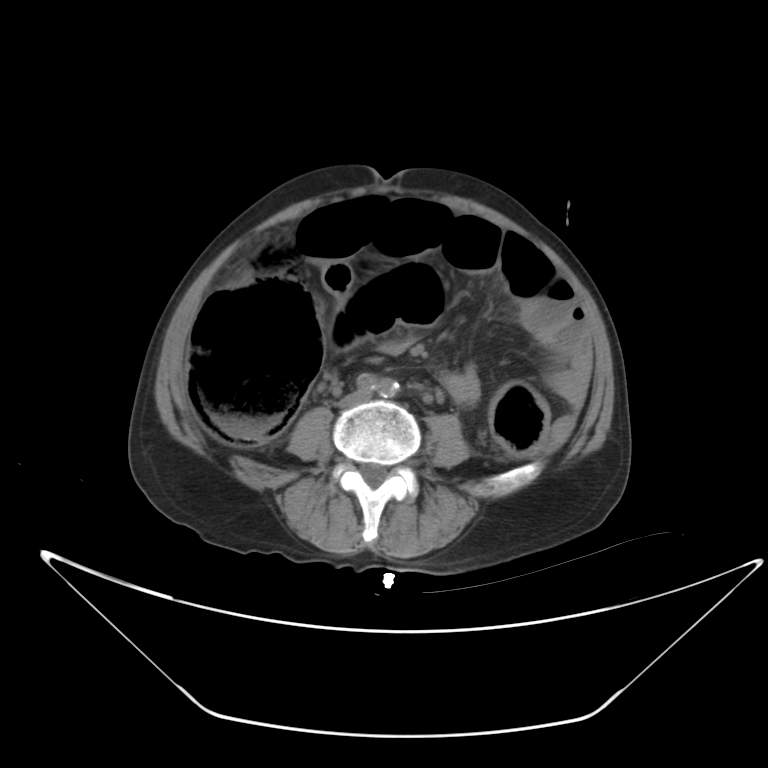
CT abdomen — axial view — abdomen soft-tissue window — 768x768 px — 64-year-old male patient
Box edges are left/top/right/bottom in pixels.
inferior vena cava: left=340, top=391, right=367, bottom=406